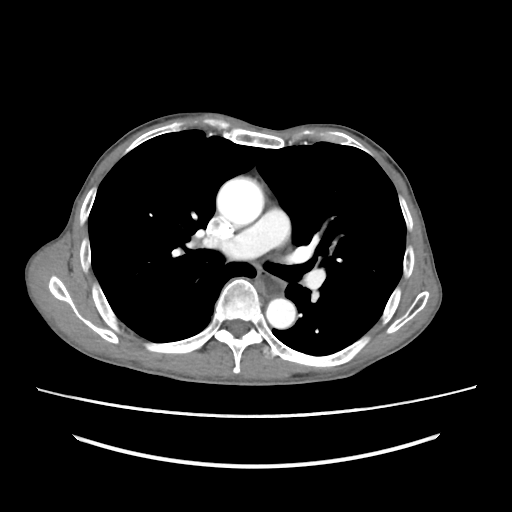 Abdominal CT reaching into the chest; this slice is in the chest. axial view. scan has 15 labeled organs (counted over the whole 3D scan, not this slice; an organ is boxed only where this slice passes through it)
On a slice this high in the chest, this dataset labels only the esophagus and the aorta, and each is boxed only where it is labeled; the heart, lungs and other chest structures are not labeled.
Organ boxes in pixel coordinates; each row gives the top-left (x1, y1) and bottom-right (x2, y2) corners.
| organ | x1 | y1 | x2 | y2 |
|---|---|---|---|---|
| aorta | 216 | 178 | 264 | 226 |
| aorta | 266 | 298 | 295 | 328 |
| esophagus | 258 | 273 | 284 | 296 |